Abdominal CT; this slice is in the lower chest, just above the liver. axial plane, index 210. soft-tissue window. 512x512 px. acquired on SOMATOM Force. scan has 15 labeled organs (that count is for the whole scan; organs this slice misses have no box)
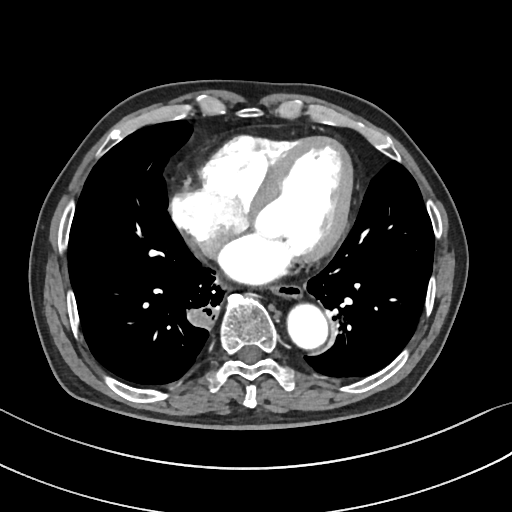 No part of the heart or lungs is labeled in this dataset, so neither has a box here.
Bounding boxes as [x1, y1, x2, y2] in pixel coordinates.
aorta: [286, 302, 327, 347]
inferior vena cava: [198, 232, 229, 258]
esophagus: [270, 281, 302, 296]